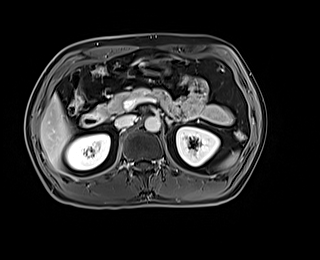

Abdominal MR; axial view
{"organs":{"spleen":[218,152,238,169],"right kidney":[66,134,109,170],"left kidney":[176,127,219,165],"liver":[40,93,72,169],"stomach":[141,62,168,74],"aorta":[144,117,160,132],"inferior vena cava":[115,115,136,127],"pancreas":[94,88,172,117],"left adrenal gland":[165,117,171,127],"duodenum":[80,112,104,126]}}